Chest-level CT slice, above the liver and spleen — axial view — soft-tissue window, W/L 400/40 — 49-year-old male patient
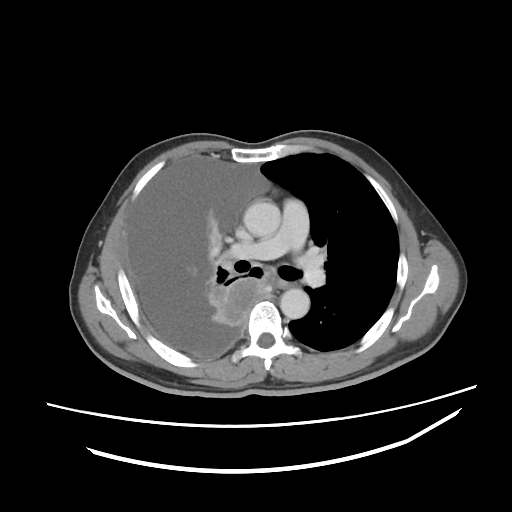
On a slice this high in the chest, this dataset labels only the esophagus and the aorta, and each is boxed only where it is labeled; the heart, lungs and other chest structures are not labeled.
Boxes are (x1, y1, x2, y2) in pixels.
Organ bounding boxes:
- esophagus: (277, 281, 289, 290)
- aorta: (243, 200, 280, 236)
- aorta: (280, 288, 309, 319)